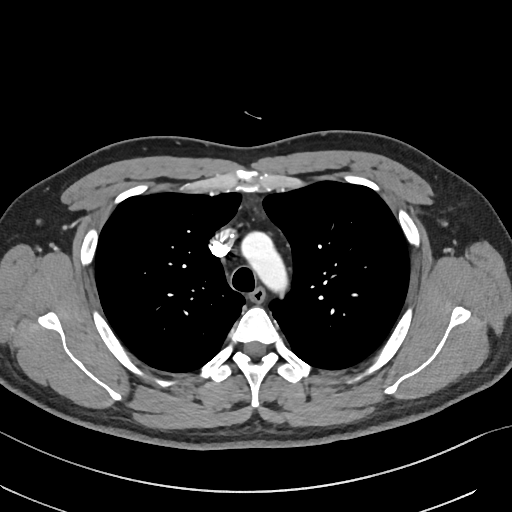 Chest-level CT slice, above the liver and spleen — Axial slice 269/307
On a slice this high in the chest, this dataset labels only the esophagus and the aorta, and each is boxed only where it is labeled; the heart, lungs and other chest structures are not labeled.
<organs><organ name="esophagus" x1="249" y1="287" x2="265" y2="302"/><organ name="aorta" x1="241" y1="231" x2="288" y2="294"/></organs>